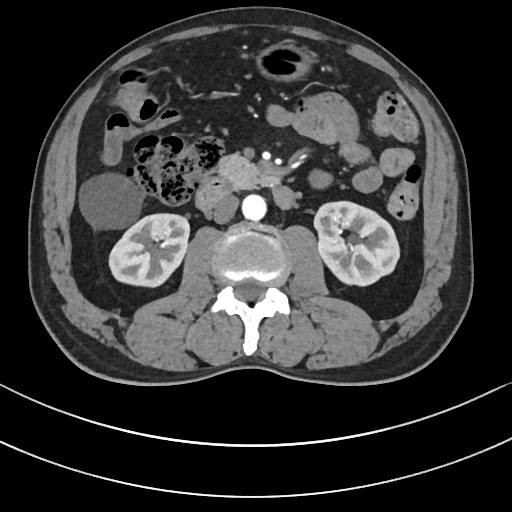 Computed tomography, abdomen · Axial slice 118/280 · soft-tissue window (W 400 / L 40)
Bounding boxes as [x1, y1, x2, y2] in pixel coordinates.
right kidney: [108, 214, 189, 287]
left kidney: [315, 201, 399, 286]
liver: [79, 172, 138, 229]
stomach: [252, 41, 320, 85]
aorta: [242, 196, 266, 221]
inferior vena cava: [212, 195, 238, 223]
pancreas: [217, 154, 281, 190]
duodenum: [195, 178, 295, 212]